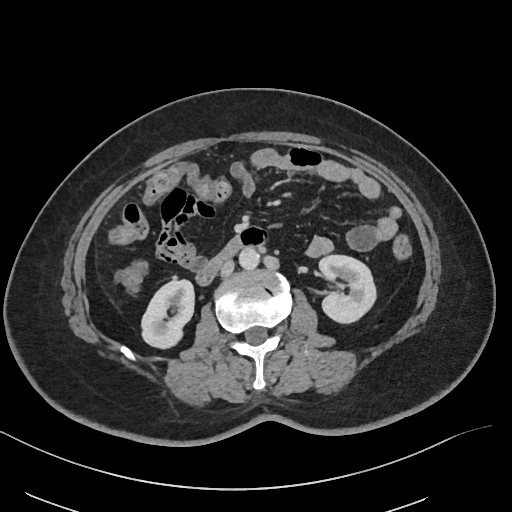

CT abdomen; axial view
{"organs":{"right kidney":[141,279,194,348],"aorta":[239,247,259,269],"left kidney":[319,255,376,322],"duodenum":[196,236,244,285],"inferior vena cava":[220,259,234,276]}}